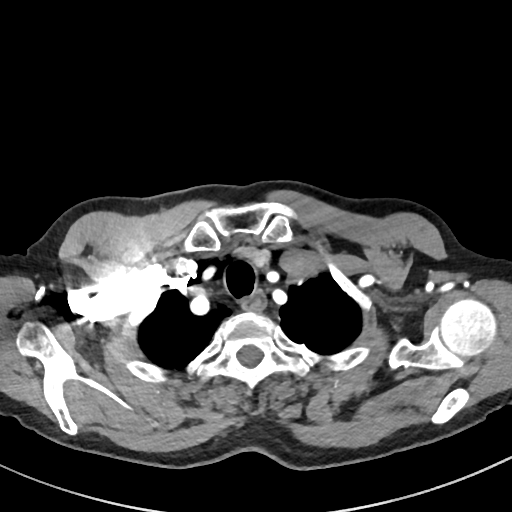 Chest-level CT slice, above the liver and spleen; axial view; scan has 15 labeled organs (that count is for the whole scan; organs this slice misses have no box)
At this level of the chest this dataset labels only the esophagus and the aorta, and each is boxed only where it is labeled; the heart and lungs are never labeled.
Boxes: x1:y1:x2:y2 in pixels.
Organ bounding boxes:
- esophagus: 242:290:266:310